Chest-level slice from an abdominal CT that extends up into the chest. Axial slice 100/133
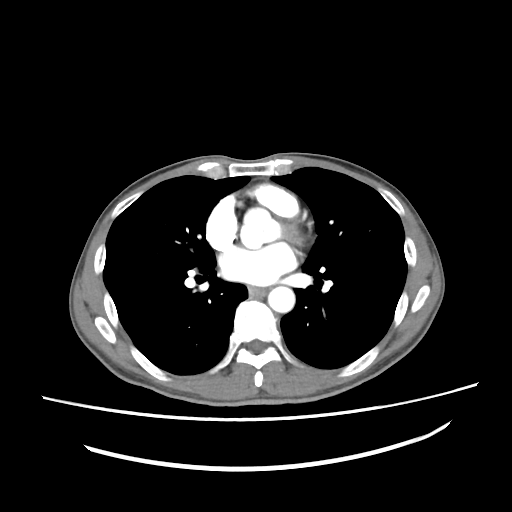 On a slice this high in the chest, this dataset labels only the esophagus and the aorta, and each is boxed only where it is labeled; the heart, lungs and other chest structures are not labeled.
Boxes: x1:y1:x2:y2 in pixels.
esophagus: 248:286:266:296
aorta: 268:286:295:312